CT abdomen · axial view · abdomen soft-tissue window · acquired on SOMATOM Force · scan has 15 labeled organs (counted over the whole 3D scan, not this slice; an organ is boxed only where this slice passes through it)
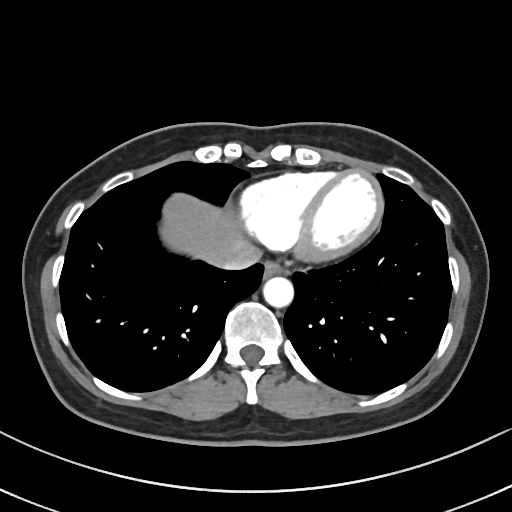 Organ boxes in pixel coordinates; each row gives the top-left (x1, y1) and bottom-right (x2, y2) corners.
| organ | x1 | y1 | x2 | y2 |
|---|---|---|---|---|
| esophagus | 264 | 260 | 288 | 275 |
| liver | 161 | 194 | 251 | 264 |
| aorta | 263 | 276 | 293 | 306 |
| inferior vena cava | 212 | 242 | 261 | 270 |